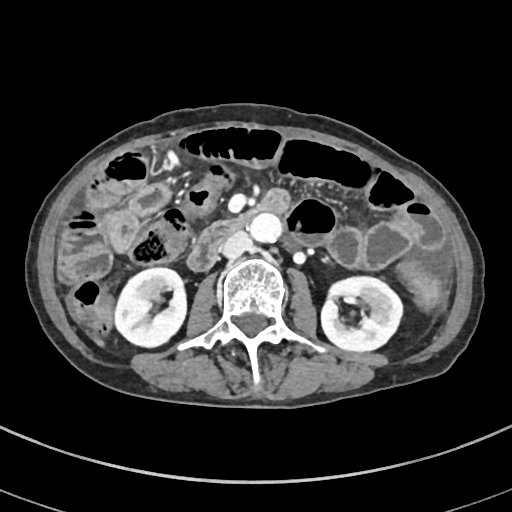

CT abdomen; axial plane, index 107
<organs><organ name="right kidney" x1="116" y1="267" x2="187" y2="346"/><organ name="left kidney" x1="321" y1="275" x2="401" y2="353"/><organ name="inferior vena cava" x1="220" y1="231" x2="252" y2="258"/><organ name="duodenum" x1="188" y1="189" x2="289" y2="269"/><organ name="aorta" x1="249" y1="214" x2="284" y2="243"/></organs>